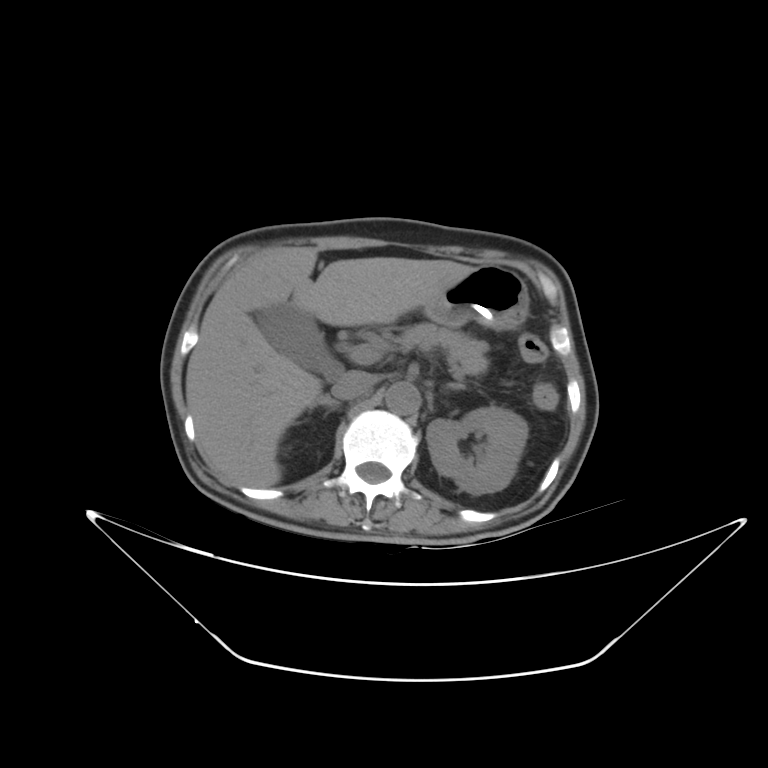
Abdominal CT; axial view; W/L 400/40 HU
Box edges are left/top/right/bottom in pixels.
left kidney: left=426, top=407, right=528, bottom=494
gall bladder: left=256, top=303, right=342, bottom=380
liver: left=185, top=247, right=474, bottom=487
stomach: left=423, top=265, right=529, bottom=330
aorta: left=385, top=382, right=419, bottom=414
inferior vena cava: left=331, top=370, right=374, bottom=399
pancreas: left=394, top=323, right=488, bottom=375
right adrenal gland: left=307, top=395, right=340, bottom=407
left adrenal gland: left=444, top=381, right=465, bottom=389